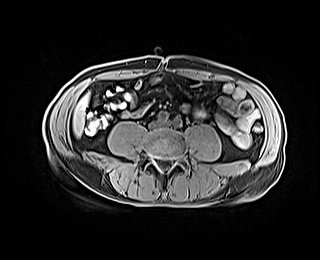 Abdominal MRI. axial view. acquired on Prisma. 13 organs annotated in this scan (that count is for the whole scan; organs this slice misses have no box)
Organ boxes in pixel coordinates; each row gives the top-left (x1, y1) and bottom-right (x2, y2) corners.
| organ | x1 | y1 | x2 | y2 |
|---|---|---|---|---|
| liver | 73 | 93 | 89 | 136 |